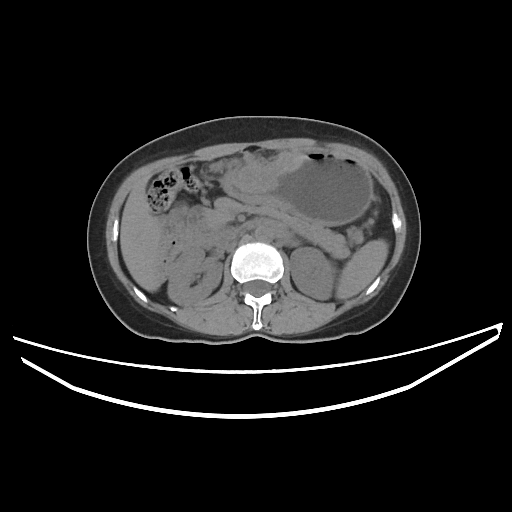 CT abdomen. axial view. 512x512 px. 50-year-old female patient
{"organs":{"spleen":[335,239,388,299],"right kidney":[167,246,222,304],"left kidney":[290,247,336,299],"liver":[120,175,161,291],"stomach":[221,149,373,225],"aorta":[254,224,274,241],"inferior vena cava":[219,227,240,243],"pancreas":[205,197,361,257],"duodenum":[187,207,287,248]}}